Lower-chest slice from an abdominal CT, just above the liver and spleen. axial view. 15 organs annotated in this scan (a whole-scan count: organs this slice does not pass through have no box)
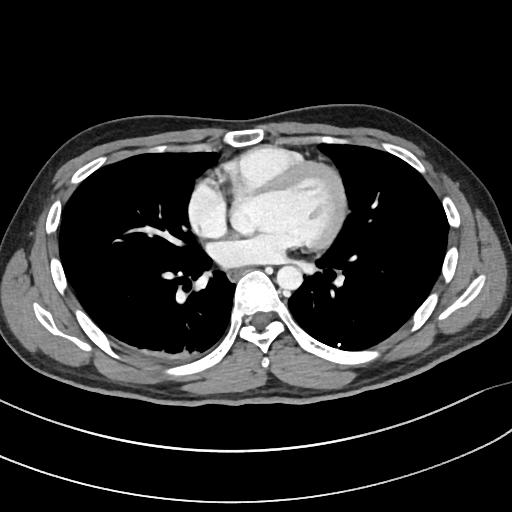
No part of the heart or lungs is labeled in this dataset, so neither has a box here.
Boxes are (x1, y1, x2, y2) in pixels.
aorta: (276, 265, 302, 290)
esophagus: (228, 271, 241, 283)